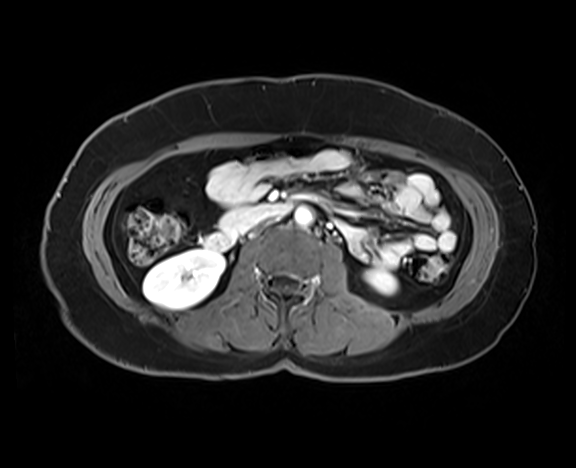 Abdominal MR. axial view. acquired on Prisma
Organ boxes in pixel coordinates; each row gives the top-left (x1, y1) and bottom-right (x2, y2) corners.
| organ | x1 | y1 | x2 | y2 |
|---|---|---|---|---|
| right kidney | 143 | 249 | 224 | 309 |
| pancreas | 220 | 206 | 261 | 230 |
| left kidney | 366 | 270 | 396 | 294 |
| inferior vena cava | 259 | 220 | 273 | 228 |
| duodenum | 204 | 203 | 291 | 250 |
| aorta | 295 | 207 | 311 | 225 |